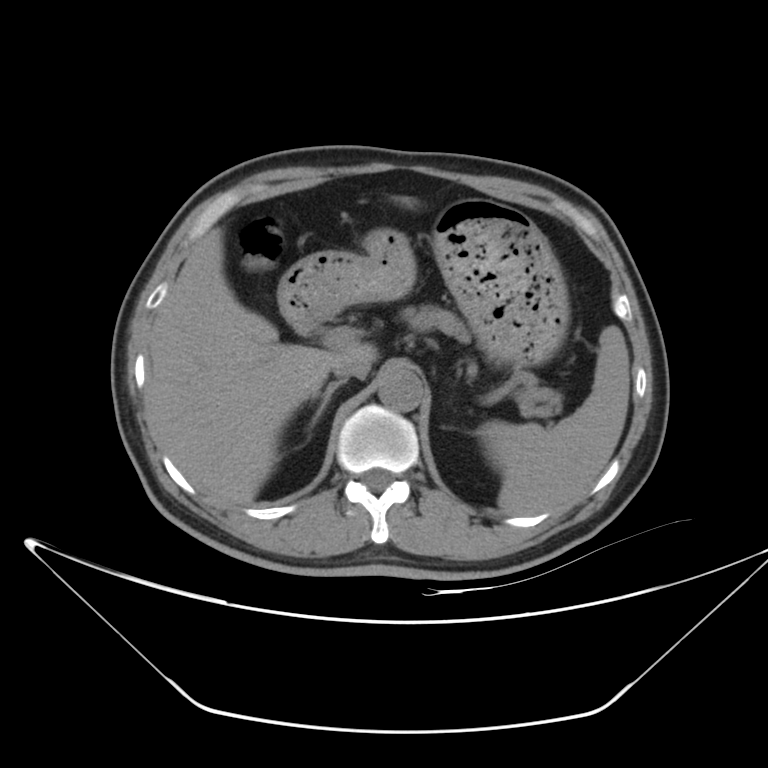

CT, abdomen/pelvis · axial view · soft-tissue window · 768x768 px · 56-year-old male patient
Box edges are left/top/right/bottom in pixels.
spleen: left=478, top=326, right=630, bottom=515
liver: left=147, top=198, right=409, bottom=503
stomach: left=278, top=198, right=569, bottom=367
aorta: left=378, top=368, right=423, bottom=411
inferior vena cava: left=332, top=356, right=370, bottom=379
pancreas: left=400, top=305, right=469, bottom=342
right adrenal gland: left=310, top=378, right=348, bottom=413
duodenum: left=307, top=323, right=318, bottom=332